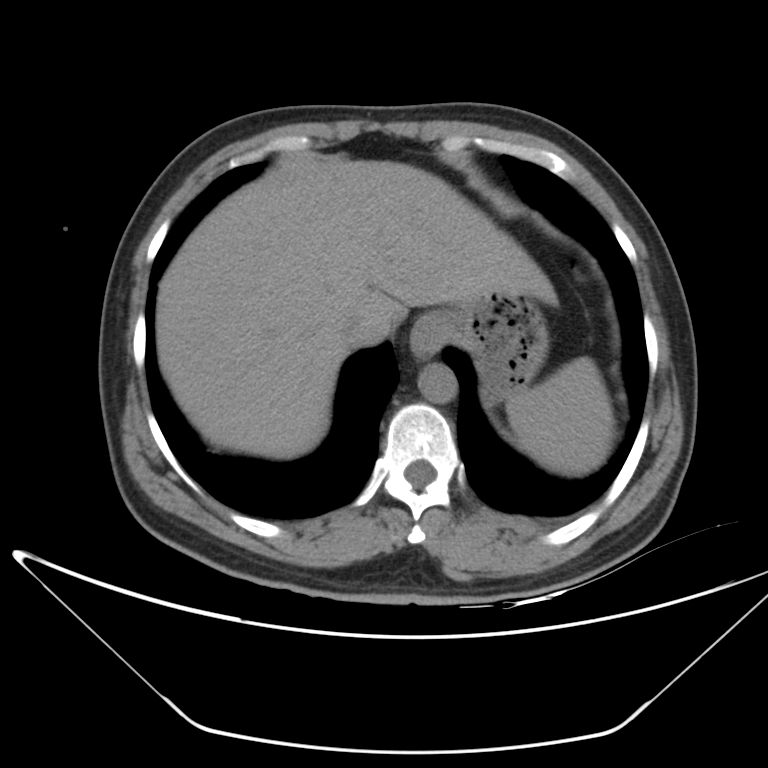 Computed tomography, abdomen — axial view — soft-tissue window (W 400 / L 40)
{"organs":{"spleen":[506,357,614,475],"esophagus":[409,317,436,356],"liver":[156,159,556,459],"stomach":[424,291,549,402],"aorta":[418,363,457,402],"inferior vena cava":[341,313,370,346]}}